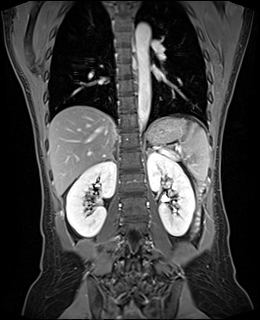

Abdominal MR — coronal acquisition — 260x320 px
Boxes: x1:y1:x2:y2 in pixels.
Organ bounding boxes:
- spleen: 179:122:209:180
- right kidney: 66:161:116:236
- left kidney: 147:152:194:236
- esophagus: 135:63:137:75
- liver: 48:105:115:196
- stomach: 147:117:187:142
- aorta: 136:23:150:127
- inferior vena cava: 112:129:116:142
- right adrenal gland: 106:151:114:159
- left adrenal gland: 146:147:156:155